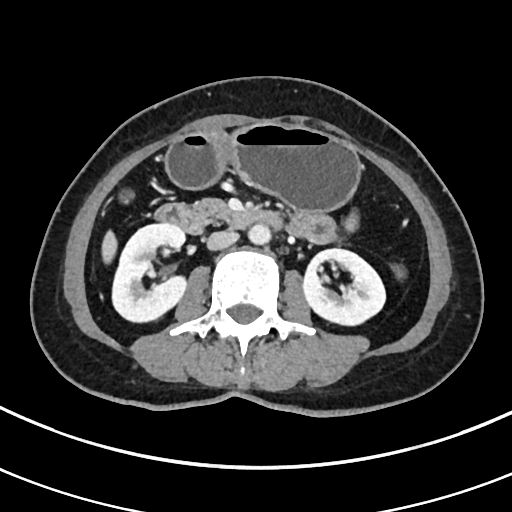
Computed tomography, abdomen — axial plane, index 115 — 512x512 px
Boxes: x1:y1:x2:y2 in pixels. 9 labeled organs on this slice — duodenum at 154:204:282:233; gall bladder at 120:190:132:202; right kidney at 112:223:186:322; liver at 101:231:117:263; inferior vena cava at 207:230:238:250; left kidney at 302:248:385:325; stomach at 164:122:360:210; aorta at 248:224:270:244; pancreas at 195:199:228:220.